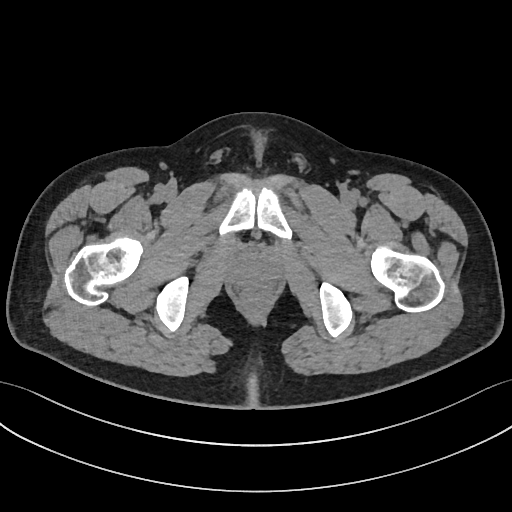

CT, abdomen/pelvis — axial view — soft-tissue window
<organs><organ name="prostate/uterus" x1="239" y1="261" x2="268" y2="281"/></organs>